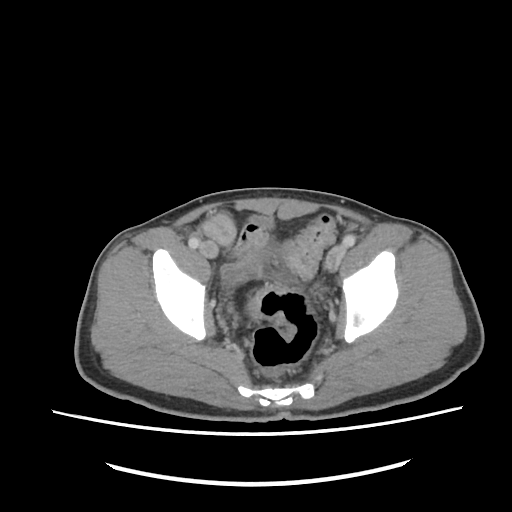 Abdominal CT — axial view — soft-tissue window — Aquilion ONE scanner
One row per box, in pixels: columns x1 and y1 give the top-left corner, x2 and y2 the bottom-right.
| organ | x1 | y1 | x2 | y2 |
|---|---|---|---|---|
| bladder | 221 | 248 | 267 | 280 |